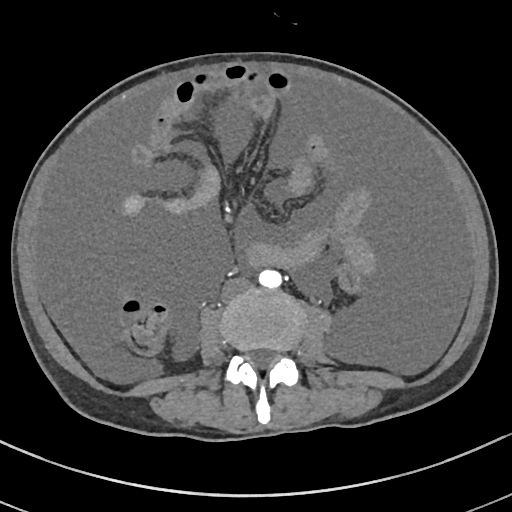
Computed tomography, abdomen. axial view
{"organs":{"aorta":[258,270,281,287],"inferior vena cava":[221,278,254,302]}}